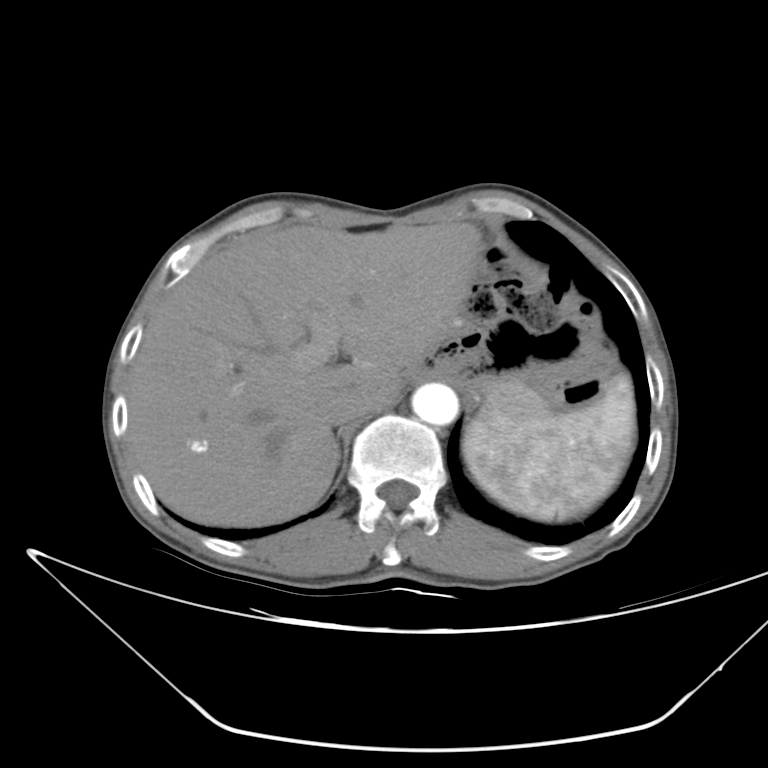
CT, abdomen/pelvis. axial view. W/L 400/40 HU. 768x768 px. 13 organs annotated in this scan (counted over the whole 3D scan, not this slice; an organ is boxed only where this slice passes through it)
<organs><organ name="aorta" x1="412" y1="383" x2="458" y2="425"/><organ name="spleen" x1="464" y1="373" x2="635" y2="520"/><organ name="stomach" x1="419" y1="314" x2="603" y2="385"/><organ name="inferior vena cava" x1="320" y1="388" x2="369" y2="425"/><organ name="liver" x1="127" y1="221" x2="480" y2="526"/><organ name="pancreas" x1="500" y1="379" x2="550" y2="419"/></organs>